Abdominal CT; axial plane, index 160; 512x512 px
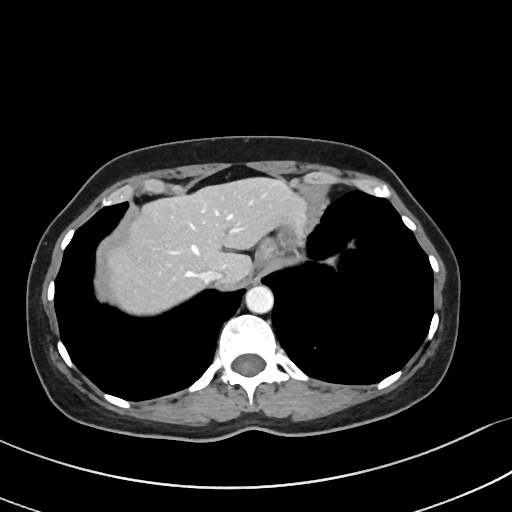
<organs><organ name="esophagus" x1="256" y1="248" x2="270" y2="267"/><organ name="liver" x1="104" y1="178" x2="307" y2="312"/><organ name="stomach" x1="259" y1="228" x2="303" y2="260"/><organ name="aorta" x1="245" y1="285" x2="273" y2="313"/><organ name="inferior vena cava" x1="200" y1="271" x2="220" y2="283"/></organs>